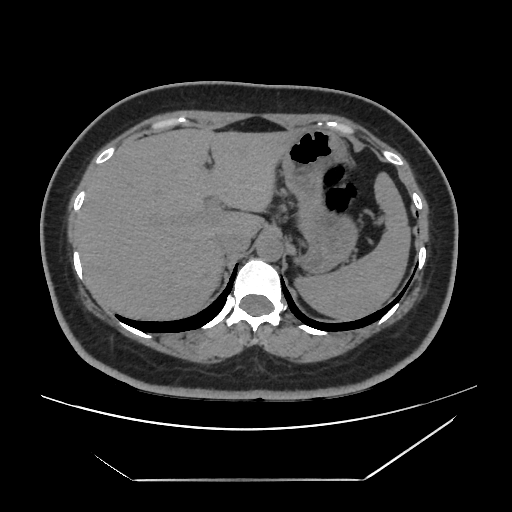 Computed tomography, abdomen. axial view. W/L 400/40 HU. 512x512 px
Box edges are left/top/right/bottom in pixels. 5 labeled organs on this slice — spleen at left=295, top=172, right=410, bottom=320; liver at left=76, top=127, right=298, bottom=320; stomach at left=281, top=127, right=357, bottom=272; aorta at left=256, top=235, right=283, bottom=261; inferior vena cava at left=219, top=232, right=251, bottom=254.